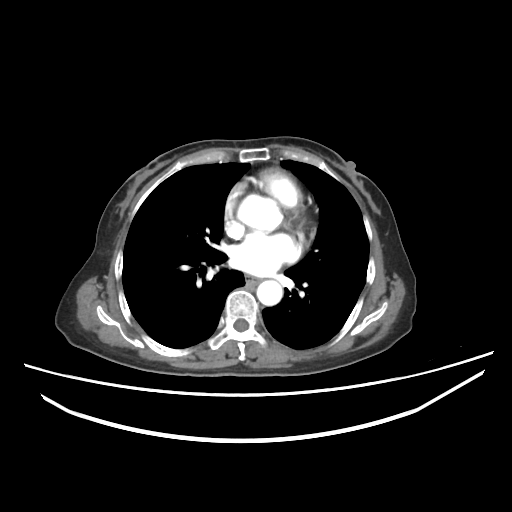
CT of the abdomen reaching into the lower chest, slice just above the liver and spleen; axial view; 512x512 px; 63-year-old female patient; acquired on Aquilion ONE; scan has 14 labeled organs (that count is for the whole scan; organs this slice misses have no box)
Of the structures in the chest, this dataset labels only the esophagus, the aorta and the inferior vena cava; the heart and lungs have no label.
Each box given as x1,y1,x2,y2.
Organ bounding boxes:
- esophagus: x1=245, y1=274, x2=262, y2=285
- aorta: x1=256, y1=280, x2=281, y2=304